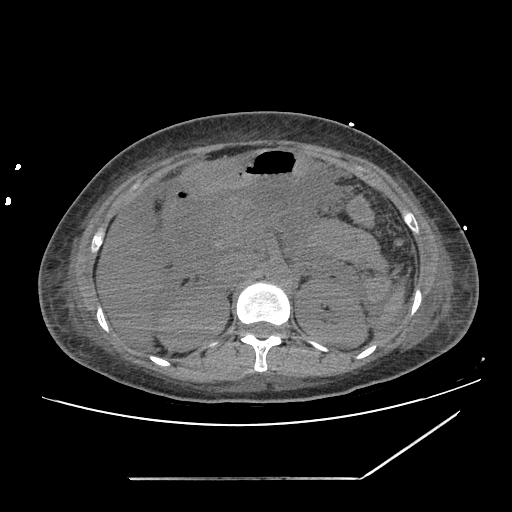
CT abdomen; axial view
Coordinates as <box>x1,y1,x2,y2</box> in pixels.
pancreas: <box>211,195,253,248</box>
aorta: <box>264,256,288,282</box>
duodenum: <box>161,179,212,262</box>
left kidney: <box>295,280,366,347</box>
right kidney: <box>155,290,229,351</box>
inferior vena cava: <box>216,255,252,287</box>
spleen: <box>374,284,404,332</box>
stomach: <box>181,147,308,194</box>
liver: <box>97,212,159,353</box>